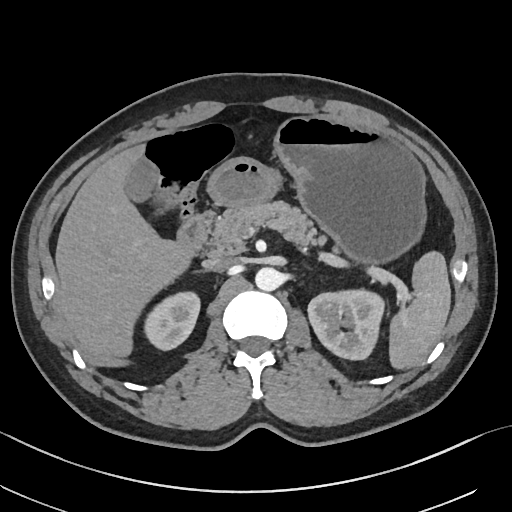
Abdominal CT; Axial slice 159/307; soft-tissue window (W 400 / L 40)
Bounding boxes as [x1, y1, x2, y2] in pixel coordinates. The annotated organs in this slice are: spleen at [389, 251, 450, 369], right kidney at [143, 291, 200, 350], left kidney at [308, 289, 384, 359], gall bladder at [124, 157, 157, 202], liver at [55, 145, 191, 359], stomach at [207, 115, 426, 263], aorta at [255, 267, 281, 291], inferior vena cava at [203, 257, 237, 271], pancreas at [209, 201, 325, 255], duodenum at [177, 211, 214, 256].